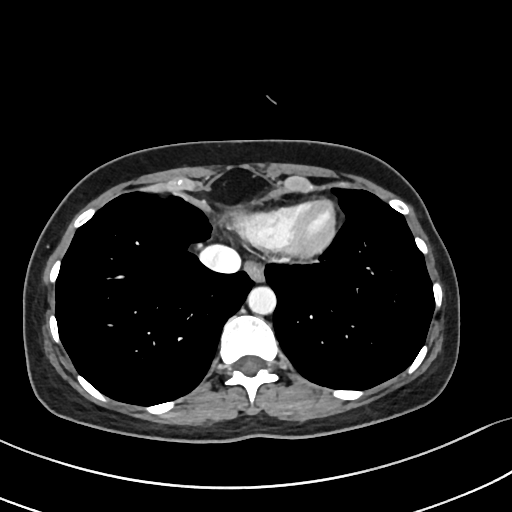
CT of the abdomen reaching into the lower chest, slice just above the liver and spleen; axial view; 512x512 px
The heart and lungs are never labeled in this dataset, so they have no box on this slice.
Boxes: x1 y1 x2 y2 (pixel coords, space-separated).
Organ bounding boxes:
- inferior vena cava: 199 245 241 273
- esophagus: 244 261 264 281
- aorta: 247 286 276 314